Computed tomography, abdomen. Axial slice 100/191. W/L 400/40 HU. SOMATOM Force scanner
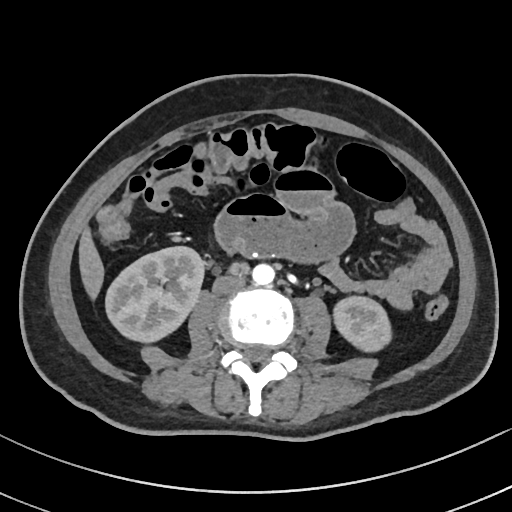

<organs><organ name="inferior vena cava" x1="212" y1="274" x2="245" y2="295"/><organ name="right kidney" x1="105" y1="246" x2="203" y2="342"/><organ name="left kidney" x1="334" y1="296" x2="391" y2="352"/><organ name="aorta" x1="252" y1="263" x2="275" y2="285"/><organ name="liver" x1="78" y1="228" x2="104" y2="299"/></organs>